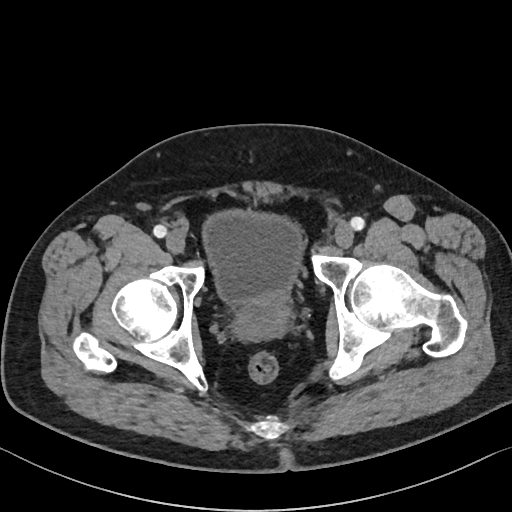 CT abdomen; axial view; soft-tissue window
Boxes are (x1, y1, x2, y2) in pixels. The annotated organs in this slice are: bladder at (200, 209, 304, 305), prostate/uterus at (236, 299, 289, 325).